CT abdomen. axial view. soft-tissue window. acquired on Aquilion ONE. scan has 15 labeled organs (counted over the whole 3D scan, not this slice; an organ is boxed only where this slice passes through it)
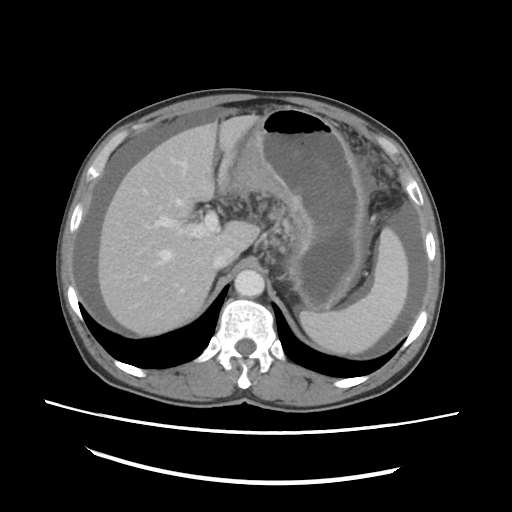

<organs><organ name="spleen" x1="299" y1="227" x2="408" y2="354"/><organ name="liver" x1="97" y1="115" x2="259" y2="335"/><organ name="stomach" x1="229" y1="107" x2="366" y2="310"/><organ name="aorta" x1="234" y1="270" x2="264" y2="296"/><organ name="inferior vena cava" x1="212" y1="246" x2="237" y2="269"/></organs>